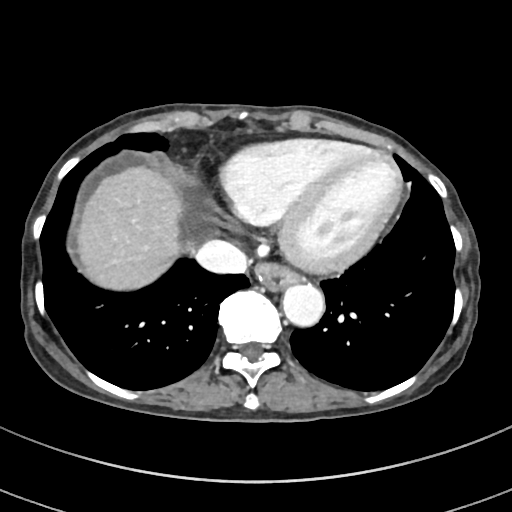

Abdominal CT. axial view. 512x512 px. SOMATOM Force scanner. 14 organs annotated in this scan (counted over the whole 3D scan, not this slice; an organ is boxed only where this slice passes through it)
{"organs":{"esophagus":[254,260,302,289],"liver":[77,167,182,290],"aorta":[282,283,323,325],"inferior vena cava":[195,241,248,274]}}